CT of the abdomen extending into the chest, slice through the chest. axial view. 512x512 px
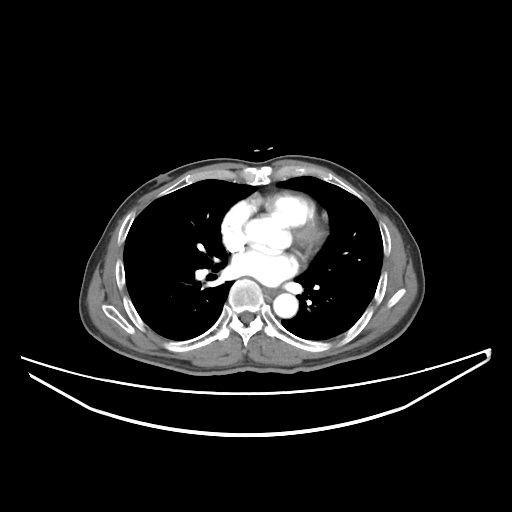 At this level of the chest this dataset labels only the esophagus and the aorta, and each is boxed only where it is labeled; the heart and lungs are never labeled.
Boxes are (x1, y1, x2, y2) in pixels.
Organ bounding boxes:
- esophagus: (265, 288, 279, 295)
- aorta: (273, 293, 298, 317)